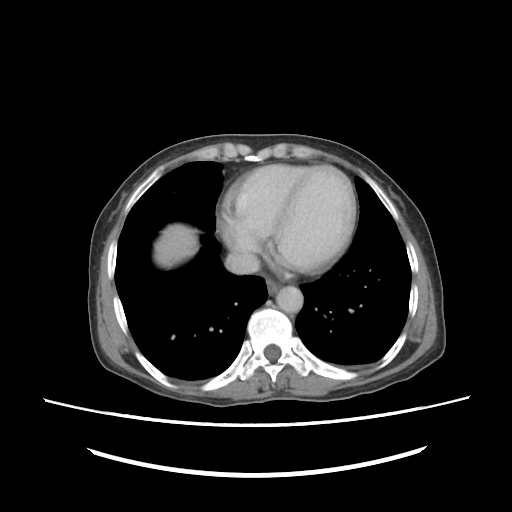

Abdominal CT — axial view — 512x512 px — 60-year-old female patient
Boxes: x1:y1:x2:y2 in pixels.
esophagus: 266:277:281:293
liver: 155:225:198:268
aorta: 276:286:304:314
inferior vena cava: 226:250:261:274